CT abdomen. Axial slice 177/198. 14 organs annotated in this scan (counted over the whole 3D scan, not this slice; an organ is boxed only where this slice passes through it)
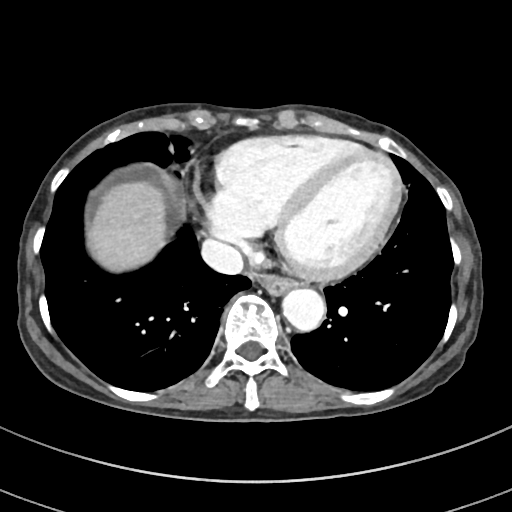 Boxes: x1:y1:x2:y2 in pixels.
Organ bounding boxes:
- aorta: 282:288:325:331
- liver: 88:181:165:271
- inferior vena cava: 201:239:243:274
- esophagus: 255:273:297:295